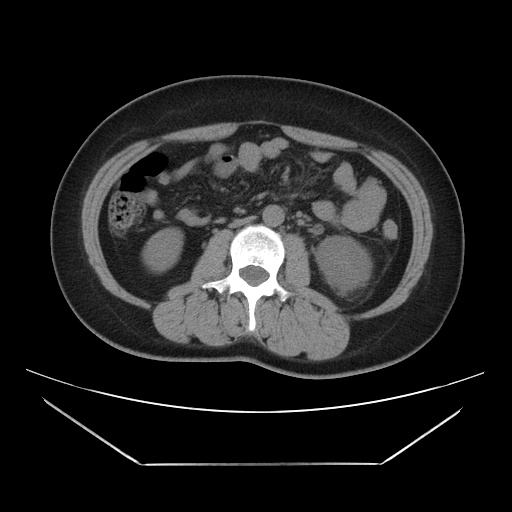 Computed tomography, abdomen · axial plane, index 51 · abdomen soft-tissue window · 512x512 px · 15 organs annotated in this scan (counted over the whole 3D scan, not this slice; an organ is boxed only where this slice passes through it)
Boxes: x1 y1 x2 y2 (pixel coords, space-separated). 4 labeled organs on this slice — right kidney at 142 227 183 272; left kidney at 315 236 371 290; aorta at 262 205 284 226; inferior vena cava at 229 216 254 227.